Magnetic resonance imaging, abdomen; coronal view; 1st–99th percentile window; scan has 13 labeled organs (a whole-scan count: organs this slice does not pass through have no box)
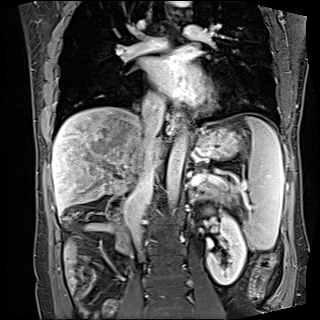 Each box given as x1,y1,x2,y2.
Organ bounding boxes:
- spleen: x1=243, y1=116, x2=284, y2=250
- left kidney: x1=206, y1=214, x2=246, y2=284
- esophagus: x1=174, y1=110, x2=186, y2=128
- esophagus: x1=164, y1=4, x2=173, y2=12
- liver: x1=52, y1=106, x2=162, y2=214
- stomach: x1=194, y1=126, x2=240, y2=159
- aorta: x1=166, y1=132, x2=187, y2=210
- aorta: x1=170, y1=1, x2=191, y2=7
- inferior vena cava: x1=126, y1=102, x2=165, y2=245
- pancreas: x1=198, y1=170, x2=235, y2=205
- left adrenal gland: x1=189, y1=189, x2=202, y2=201
- duodenum: x1=105, y1=193, x2=131, y2=254